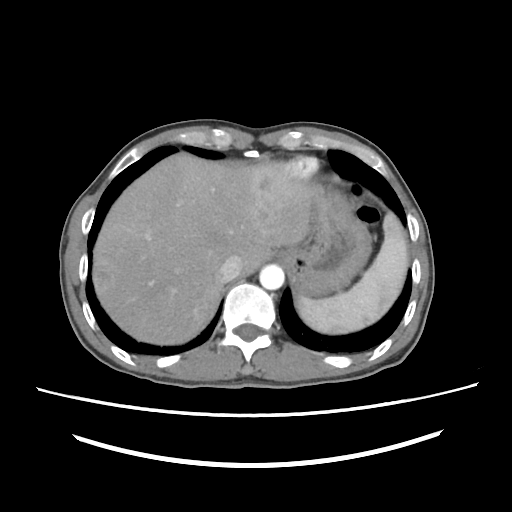

CT, abdomen/pelvis — axial view
Coordinates as <box>x1,y1,x2,y2</box> in pixels.
Organ bounding boxes:
- spleen: <box>297,213,409,335</box>
- esophagus: <box>273,249,289,264</box>
- liver: <box>94,152,323,345</box>
- stomach: <box>289,186,371,297</box>
- aorta: <box>260,265,284,289</box>
- inferior vena cava: <box>213,255,240,285</box>